CT abdomen — axial view — soft-tissue window — 512x512 px — scan has 15 labeled organs (a whole-scan count: organs this slice does not pass through have no box)
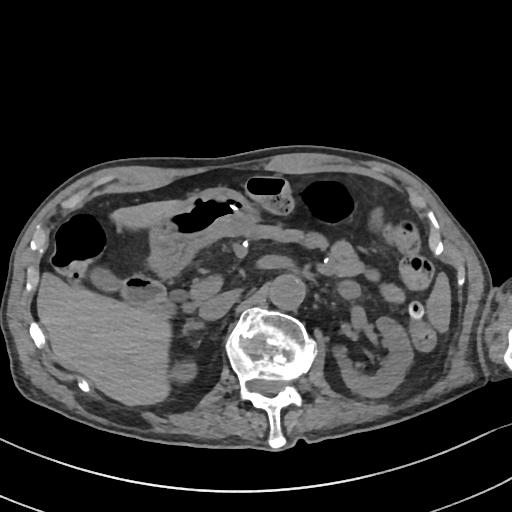
One row per box, in pixels: columns x1 and y1 give the top-left corner, x2 and y2 the bottom-right.
| organ | x1 | y1 | x2 | y2 |
|---|---|---|---|---|
| right kidney | 173 | 360 | 196 | 379 |
| pancreas | 195 | 225 | 359 | 286 |
| gall bladder | 92 | 269 | 119 | 291 |
| spleen | 426 | 275 | 449 | 332 |
| inferior vena cava | 200 | 291 | 236 | 319 |
| liver | 37 | 201 | 174 | 405 |
| stomach | 149 | 187 | 251 | 278 |
| duodenum | 120 | 276 | 172 | 319 |
| right adrenal gland | 186 | 320 | 203 | 327 |
| left kidney | 340 | 316 | 413 | 397 |
| aorta | 271 | 273 | 305 | 308 |